Computed tomography, abdomen; axial view
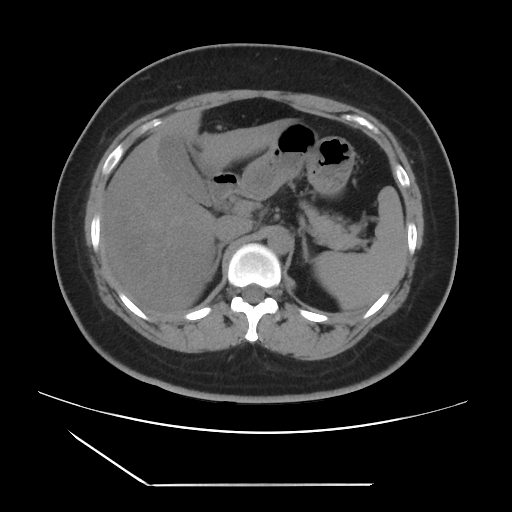 Bounding boxes as [x1, y1, x2, y2] in pixel coordinates. 10 labeled organs on this slice — spleen at [313, 186, 406, 310]; gall bladder at [158, 136, 209, 204]; liver at [102, 110, 296, 311]; stomach at [239, 122, 355, 199]; aorta at [267, 228, 291, 254]; inferior vena cava at [214, 216, 252, 242]; pancreas at [301, 202, 361, 248]; right adrenal gland at [208, 242, 226, 281]; left adrenal gland at [300, 234, 309, 261]; duodenum at [208, 172, 238, 207].